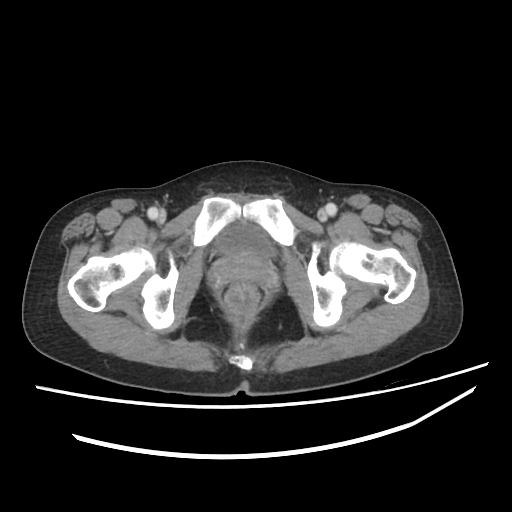 Computed tomography, abdomen. axial view. abdomen soft-tissue window. 54-year-old female patient
Coordinates as <box>x1,y1,x2,y2</box> in pixels.
bladder: <box>216,223,274,257</box>